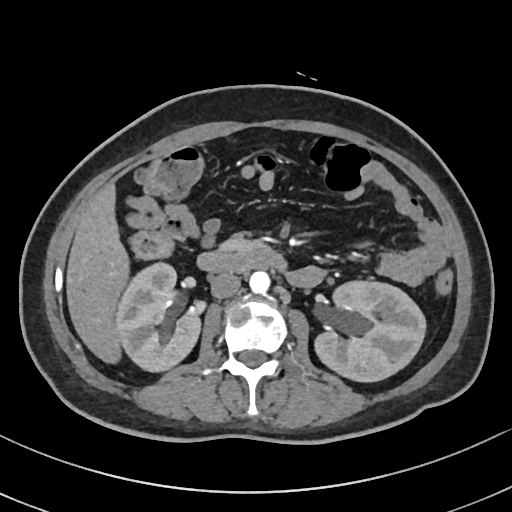
Computed tomography, abdomen — axial view — soft-tissue window (W 400 / L 40) — 512x512 px — scan has 15 labeled organs (counted over the whole 3D scan, not this slice; an organ is boxed only where this slice passes through it)
{"organs":{"right kidney":[118,264,201,372],"duodenum":[195,248,286,273],"pancreas":[216,235,270,257],"left kidney":[313,281,425,382],"liver":[65,181,129,364],"aorta":[249,271,269,293],"inferior vena cava":[210,273,240,298]}}